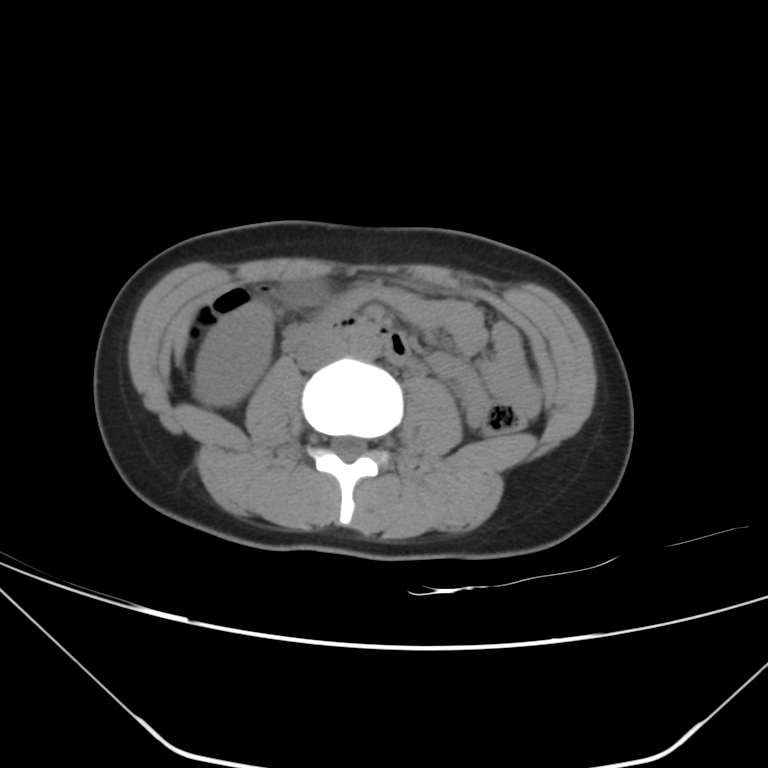 Abdominal CT; Axial slice 41/68; soft-tissue window (W 400 / L 40); 15 organs annotated in this scan (counted over the whole 3D scan, not this slice; an organ is boxed only where this slice passes through it)
Each box given as x1,y1,x2,y2. Labeled organs on this slice: right kidney at x1=193, y1=302, x2=273, y2=406, gall bladder at x1=290, y1=281, x2=320, y2=301, liver at x1=176, y1=313, x2=194, y2=353, aorta at x1=349, y1=326, x2=380, y2=358, inferior vena cava at x1=295, y1=331, x2=346, y2=370, duodenum at x1=288, y1=314, x2=409, y2=363.